CT abdomen · axial view · W/L 400/40 HU · SOMATOM Force scanner
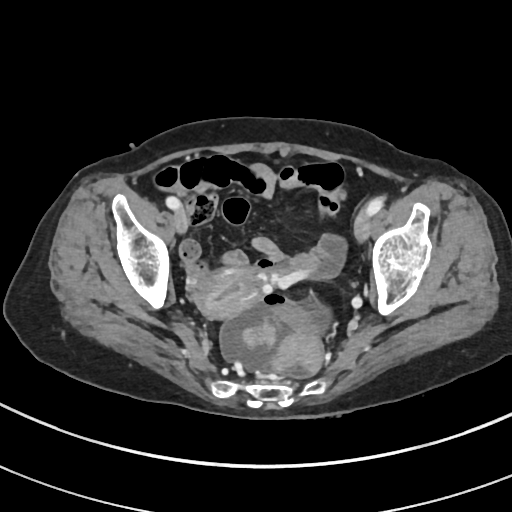
<organs><organ name="prostate/uterus" x1="192" y1="268" x2="260" y2="318"/></organs>